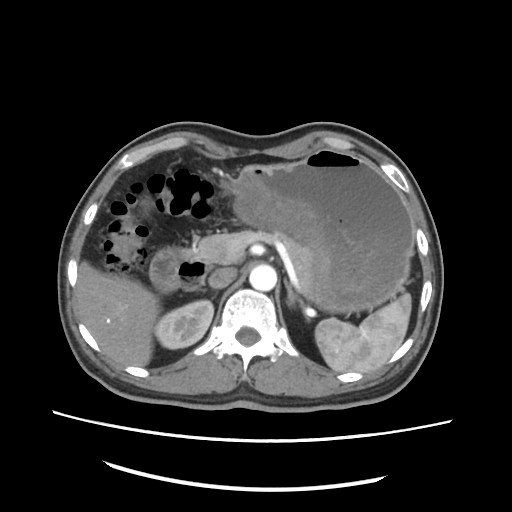

CT, abdomen/pelvis. axial view. 512x512 px. 54-year-old male patient
<organs><organ name="spleen" x1="314" y1="294" x2="411" y2="371"/><organ name="right kidney" x1="155" y1="299" x2="212" y2="349"/><organ name="liver" x1="76" y1="261" x2="160" y2="365"/><organ name="stomach" x1="230" y1="147" x2="412" y2="315"/><organ name="aorta" x1="249" y1="265" x2="276" y2="290"/><organ name="inferior vena cava" x1="209" y1="267" x2="236" y2="289"/><organ name="pancreas" x1="186" y1="230" x2="310" y2="300"/><organ name="left adrenal gland" x1="284" y1="278" x2="310" y2="322"/><organ name="duodenum" x1="147" y1="248" x2="213" y2="291"/></organs>